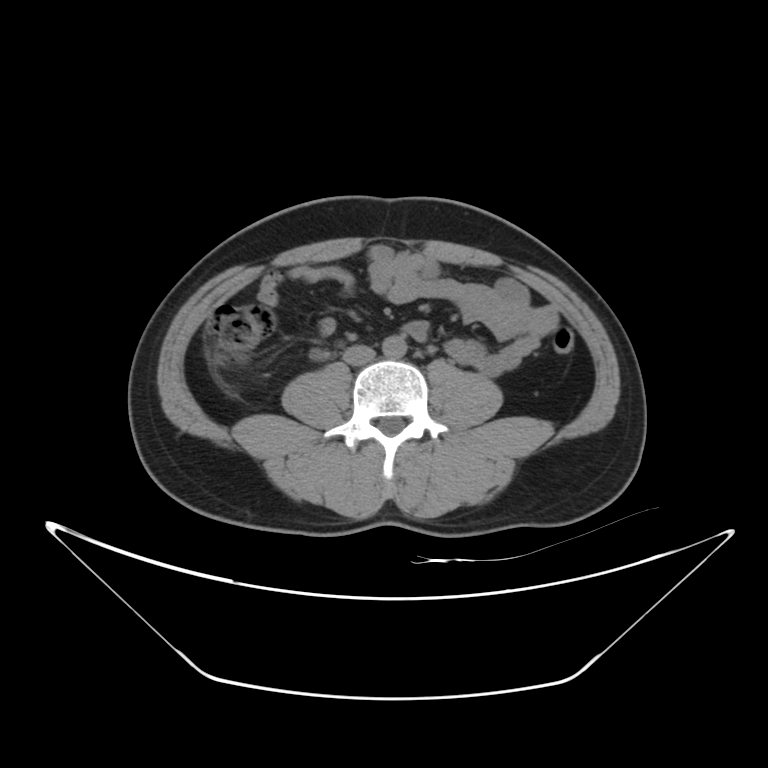
Abdominal CT. axial view. abdomen soft-tissue window. Brilliance16 scanner
Organ boxes in pixel coordinates; each row gives the top-left (x1, y1) and bottom-right (x2, y2) corners.
| organ | x1 | y1 | x2 | y2 |
|---|---|---|---|---|
| aorta | 382 | 336 | 407 | 358 |
| inferior vena cava | 343 | 345 | 375 | 366 |